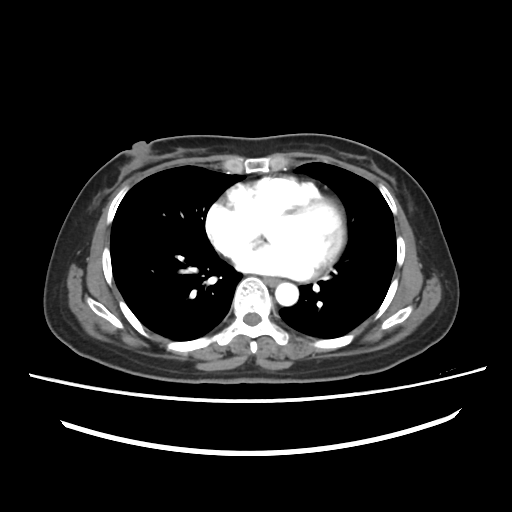
CT of the abdomen reaching into the lower chest, slice just above the liver and spleen — axial view — soft-tissue window — 512x512 px — acquired on Aquilion ONE — 15 organs annotated in this scan (counted over the whole 3D scan, not this slice; an organ is boxed only where this slice passes through it)
Of the structures in the chest, this dataset labels only the esophagus, the aorta and the inferior vena cava; the heart and lungs have no label.
{"organs":{"esophagus":[264,277,280,285],"aorta":[275,282,298,305]}}